CT, abdomen/pelvis. Axial slice 195/353. abdomen soft-tissue window. 512x512 px
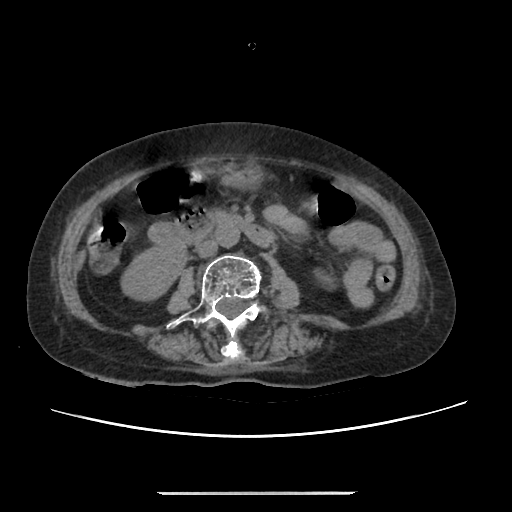

Bounding boxes as [x1, y1, x2, y2] in pixel coordinates.
duodenum: [150, 210, 275, 247]
inferior vena cava: [196, 240, 217, 257]
aorta: [215, 224, 239, 247]
stomach: [218, 164, 264, 185]
right kidney: [121, 246, 186, 300]